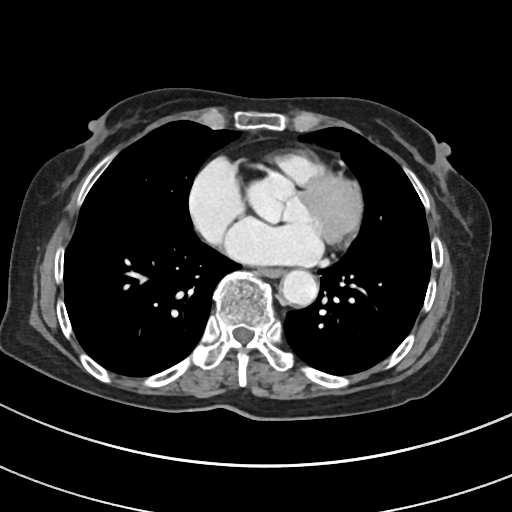 Abdominal CT; this slice is in the lower chest, just above the liver; Axial slice 202/284; soft-tissue window
No part of the heart or lungs is labeled in this dataset, so neither has a box here.
<organs><organ name="aorta" x1="280" y1="269" x2="318" y2="305"/><organ name="esophagus" x1="259" y1="268" x2="283" y2="277"/></organs>